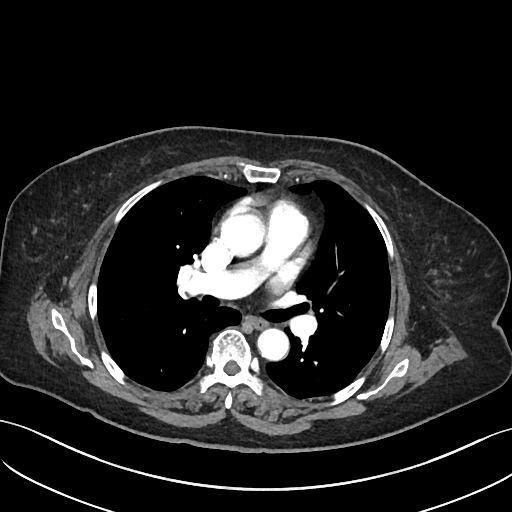

Abdominal CT reaching into the chest; this slice is in the chest; axial plane, index 220; soft-tissue window, W/L 400/40; 512x512 px
On a slice this high in the chest, this dataset labels only the esophagus and the aorta, and each is boxed only where it is labeled; the heart, lungs and other chest structures are not labeled.
Coordinates as <box>x1,y1,x2,y2</box> in pixels.
Organ bounding boxes:
- esophagus: <box>246,316,267,327</box>
- aorta: <box>222,213,265,254</box>
- aorta: <box>257,328,288,360</box>